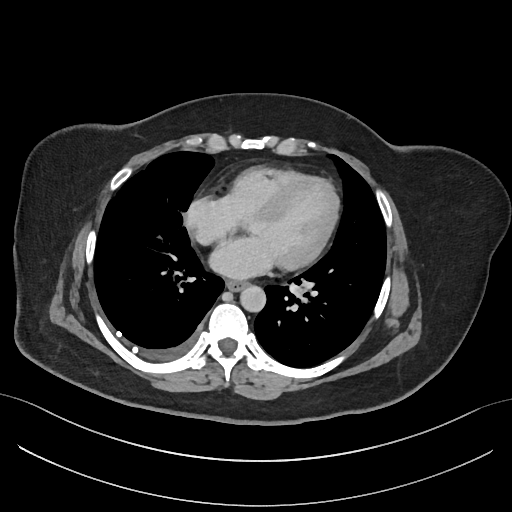

Lower-chest slice from an abdominal CT, just above the liver and spleen; axial view; soft-tissue window, W/L 400/40; 512x512 px
The heart and lungs are never labeled in this dataset, so they have no box on this slice.
{"organs":{"esophagus":[226,281,245,292],"aorta":[240,286,266,313]}}